CT, abdomen/pelvis — Axial slice 72/353 — 512x512 px — scan has 15 labeled organs (that count is for the whole scan; organs this slice misses have no box)
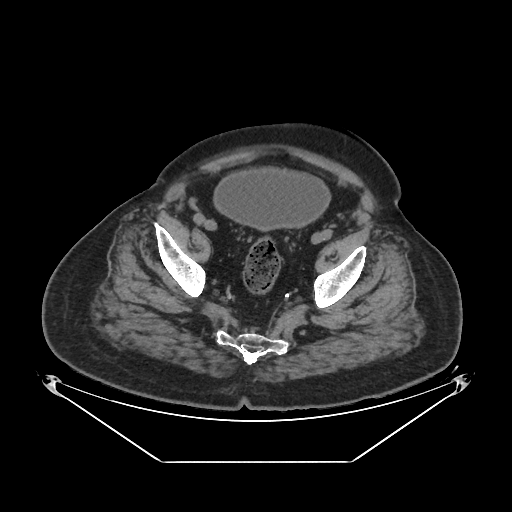 Box edges are left/top/right/bottom in pixels.
bladder: left=213, top=169, right=330, bottom=230